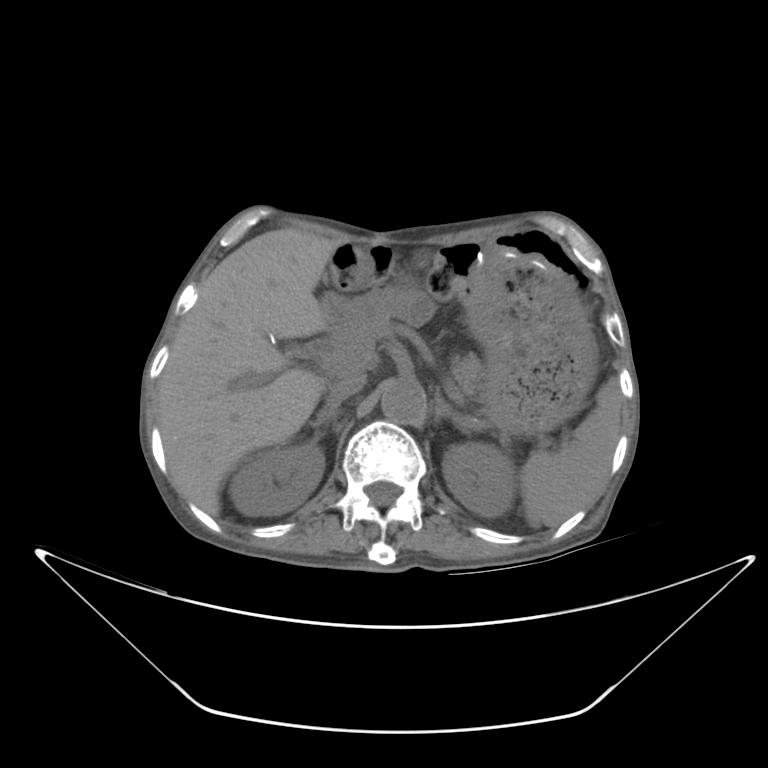
CT, abdomen/pelvis; axial view; soft-tissue window (W 400 / L 40)
Organ boxes in pixel coordinates; each row gives the top-left (x1, y1) and bottom-right (x2, y2) corners.
| organ | x1 | y1 | x2 | y2 |
|---|---|---|---|---|
| spleen | 522 | 378 | 623 | 527 |
| right kidney | 230 | 442 | 322 | 517 |
| left kidney | 443 | 441 | 513 | 515 |
| liver | 157 | 228 | 332 | 514 |
| stomach | 464 | 247 | 598 | 438 |
| aorta | 381 | 383 | 423 | 423 |
| inferior vena cava | 319 | 372 | 366 | 412 |
| pancreas | 449 | 353 | 481 | 391 |
| right adrenal gland | 310 | 407 | 339 | 426 |
| left adrenal gland | 434 | 392 | 470 | 437 |